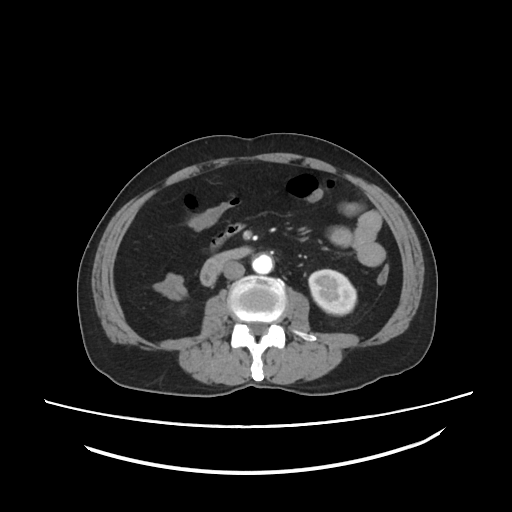 CT abdomen · axial view · W/L 400/40 HU · 512x512 px
<organs><organ name="left kidney" x1="309" y1="269" x2="356" y2="314"/><organ name="aorta" x1="252" y1="253" x2="273" y2="274"/><organ name="inferior vena cava" x1="223" y1="261" x2="244" y2="279"/><organ name="duodenum" x1="200" y1="247" x2="251" y2="285"/></organs>